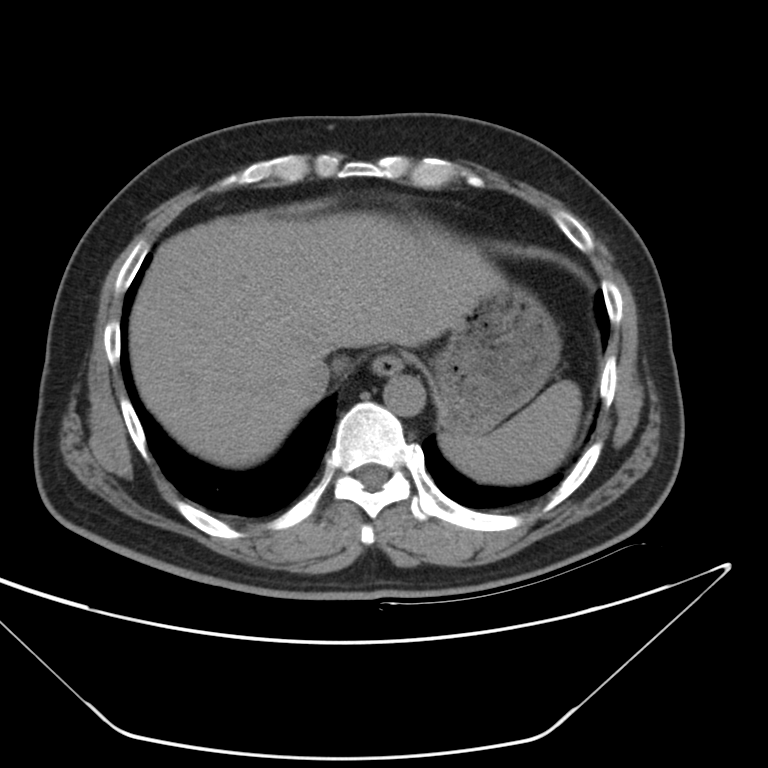

CT abdomen · axial view · soft-tissue window · 768x768 px
<organs><organ name="inferior vena cava" x1="291" y1="357" x2="330" y2="394"/><organ name="spleen" x1="443" y1="379" x2="583" y2="484"/><organ name="esophagus" x1="372" y1="353" x2="402" y2="375"/><organ name="liver" x1="128" y1="210" x2="505" y2="467"/><organ name="aorta" x1="383" y1="373" x2="425" y2="415"/><organ name="stomach" x1="435" y1="282" x2="563" y2="433"/></organs>